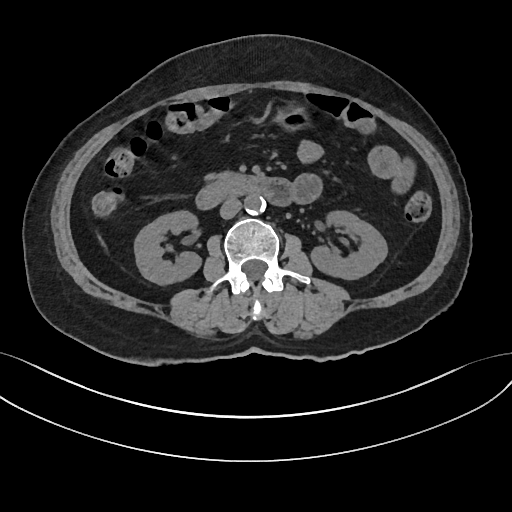
CT, abdomen/pelvis · axial view
<organs><organ name="right kidney" x1="133" y1="209" x2="200" y2="284"/><organ name="left kidney" x1="312" y1="210" x2="387" y2="278"/><organ name="stomach" x1="278" y1="110" x2="306" y2="128"/><organ name="aorta" x1="244" y1="194" x2="265" y2="213"/><organ name="inferior vena cava" x1="220" y1="197" x2="241" y2="218"/><organ name="duodenum" x1="197" y1="175" x2="295" y2="208"/></organs>